Computed tomography, abdomen; axial view; soft-tissue window; 768x768 px; 15 organs annotated in this scan (that count is for the whole scan; organs this slice misses have no box)
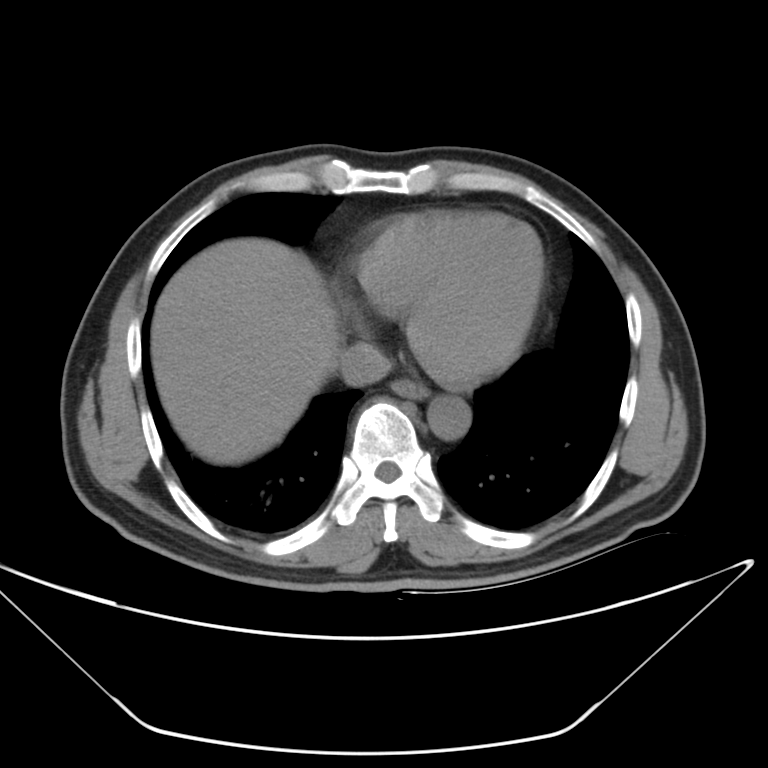 One row per box, in pixels: columns x1 and y1 give the top-left corner, x2 and y2 the bottom-right.
| organ | x1 | y1 | x2 | y2 |
|---|---|---|---|---|
| esophagus | 392 | 379 | 428 | 398 |
| inferior vena cava | 340 | 342 | 389 | 381 |
| aorta | 429 | 396 | 467 | 438 |
| liver | 150 | 237 | 339 | 464 |